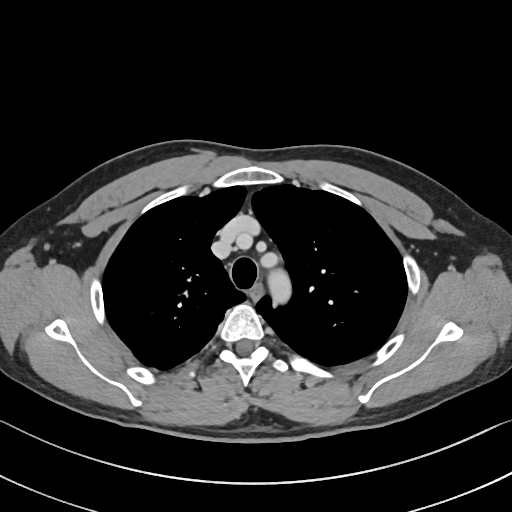 Abdominal CT reaching into the chest; this slice is in the chest · axial view · soft-tissue window, W/L 400/40 · 512x512 px
At this level of the chest no structure but the esophagus and the aorta has a label in this dataset, and those two are boxed only where they are labeled.
<organs><organ name="esophagus" x1="250" y1="283" x2="262" y2="302"/><organ name="aorta" x1="266" y1="268" x2="292" y2="305"/></organs>